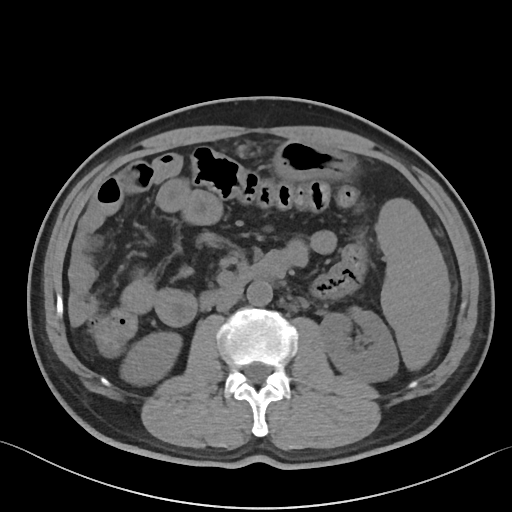
CT, abdomen/pelvis · axial view · soft-tissue window (W 400 / L 40) · 15 organs annotated in this scan (counted over the whole 3D scan, not this slice; an organ is boxed only where this slice passes through it)
Boxes: x1:y1:x2:y2 in pixels.
Organ bounding boxes:
- inferior vena cava: 216:292:241:311
- left kidney: 320:307:398:382
- right kidney: 120:332:181:385
- duodenum: 200:257:286:309
- spleen: 376:198:449:369
- aorta: 247:280:272:305
- stomach: 273:141:355:180